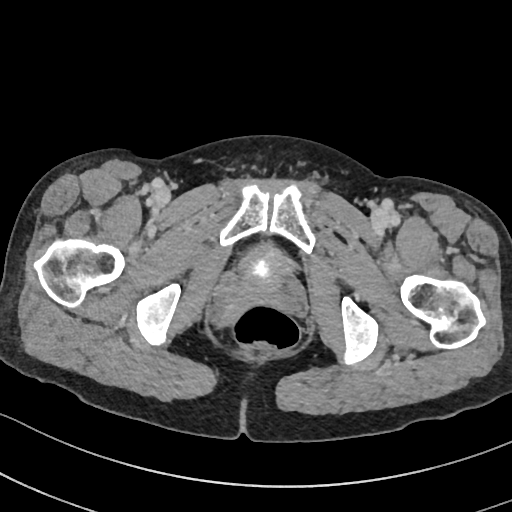
CT abdomen — Axial slice 7/192 — soft-tissue window (W 400 / L 40)
Organ boxes in pixel coordinates; each row gives the top-left (x1, y1) and bottom-right (x2, y2) corners.
| organ | x1 | y1 | x2 | y2 |
|---|---|---|---|---|
| bladder | 239 | 247 | 292 | 288 |